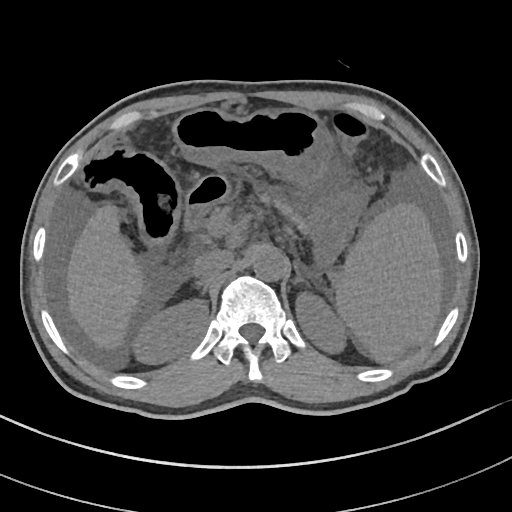
CT, abdomen/pelvis; axial view; abdomen soft-tissue window
One row per box, in pixels: columns x1 and y1 give the top-left corner, x2 and y2 the bottom-right.
| organ | x1 | y1 | x2 | y2 |
|---|---|---|---|---|
| spleen | 336 | 202 | 442 | 361 |
| right kidney | 133 | 298 | 209 | 364 |
| left kidney | 294 | 293 | 345 | 354 |
| liver | 67 | 205 | 141 | 348 |
| stomach | 174 | 107 | 361 | 267 |
| aorta | 252 | 248 | 287 | 281 |
| inferior vena cava | 192 | 250 | 234 | 282 |
| pancreas | 259 | 192 | 305 | 229 |
| right adrenal gland | 194 | 280 | 208 | 290 |
| left adrenal gland | 293 | 263 | 310 | 285 |
| duodenum | 183 | 175 | 228 | 232 |